Abdominal CT. axial view. 512x512 px
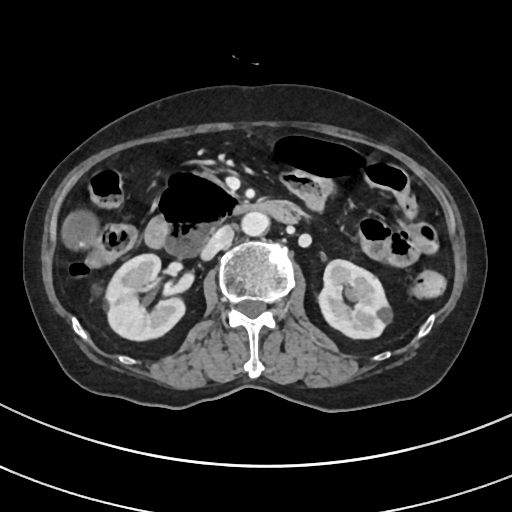
{"organs":{"right kidney":[106,253,183,339],"left kidney":[318,260,391,337],"gall bladder":[63,214,95,249],"aorta":[243,211,270,235],"inferior vena cava":[202,225,235,259],"duodenum":[144,170,299,255]}}